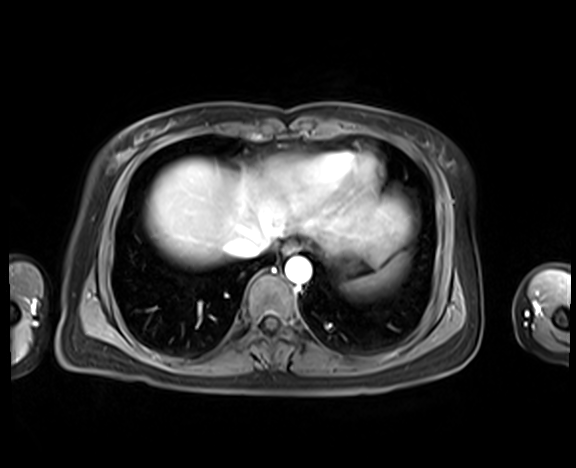 MRI, abdomen; Axial slice 64/72
Coordinates as <box>x1,y1,x2,y2</box> in pixels.
esophagus: <box>282,243,300,254</box>
stomach: <box>345,247,363,268</box>
spleen: <box>344,253,407,293</box>
liver: <box>146,159,414,266</box>
aorta: <box>285,257,311,283</box>
inferior vena cava: <box>227,233,275,258</box>